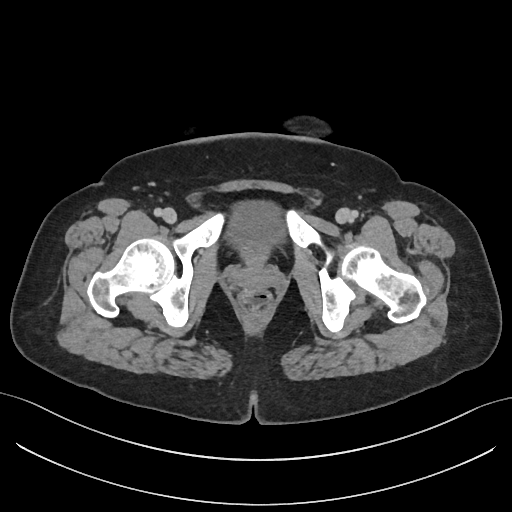

Abdominal CT · axial view · abdomen soft-tissue window
Bounding boxes as [x1, y1, x2, y2] in pixel coordinates. The annotated organs in this slice are: bladder at [225, 201, 283, 259].